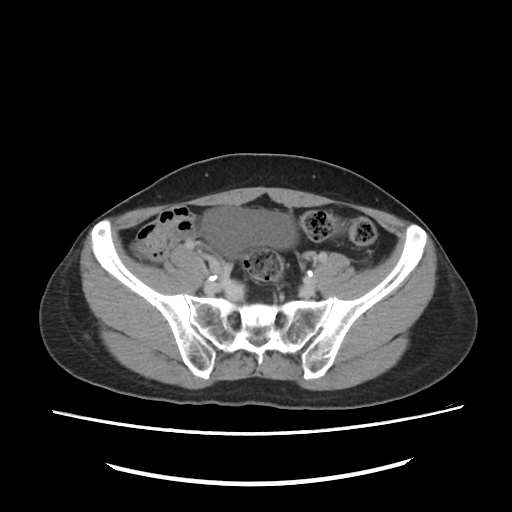

Abdominal CT. Axial slice 29/85. 50-year-old female patient. scan has 15 labeled organs (a whole-scan count: organs this slice does not pass through have no box)
Box edges are left/top/right/bottom in pixels.
Organ bounding boxes:
- bladder: left=202, top=204, right=299, bottom=254
- prostate/uterus: left=223, top=281, right=247, bottom=301